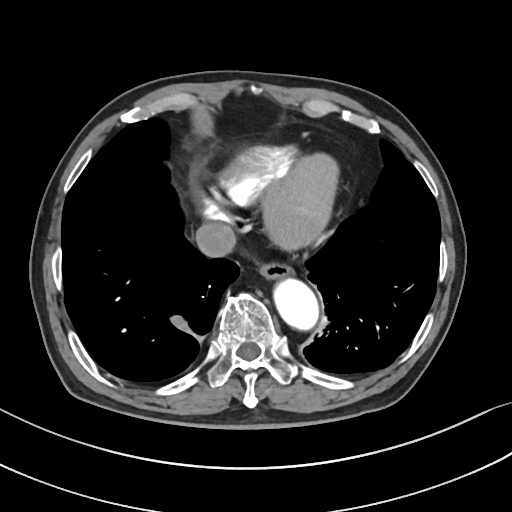
CT of the abdomen reaching into the lower chest, slice just above the liver and spleen · axial view · W/L 400/40 HU
The heart and lungs are never labeled in this dataset, so they have no box on this slice.
Boxes are (x1, y1, x2, y2) in pixels.
esophagus: (258, 257, 292, 277)
aorta: (272, 276, 316, 327)
inferior vena cava: (194, 221, 236, 255)